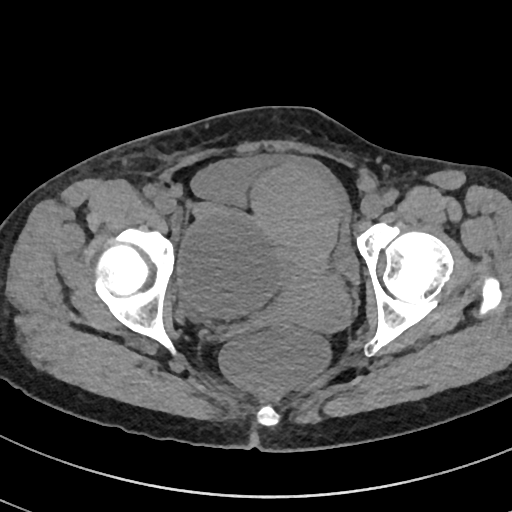
Abdominal CT; axial view; 512x512 px; scan has 15 labeled organs (that count is for the whole scan; organs this slice misses have no box)
Coordinates as <box>x1,y1,x2,y2</box> in pixels.
Organ bounding boxes:
- bladder: <box>191,154,360,281</box>
- prostate/uterus: <box>250,166,352,332</box>